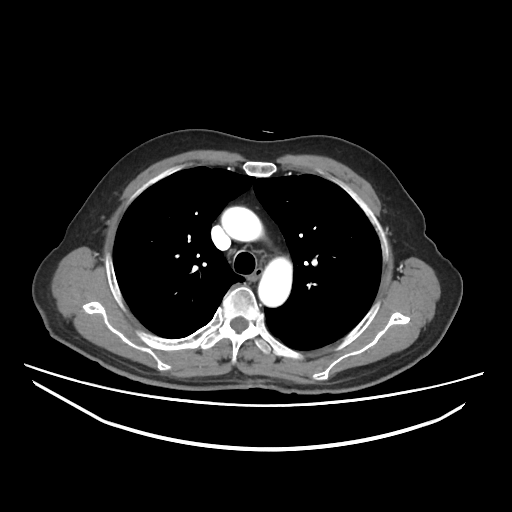 Chest-level slice from an abdominal CT that extends up into the chest · axial view · W/L 400/40 HU · 58-year-old male patient
At this level of the chest no structure but the esophagus and the aorta has a label in this dataset, and those two are boxed only where they are labeled.
{"organs":{"aorta":[[258,257,292,306],[221,206,263,241]],"esophagus":[249,268,262,280]}}